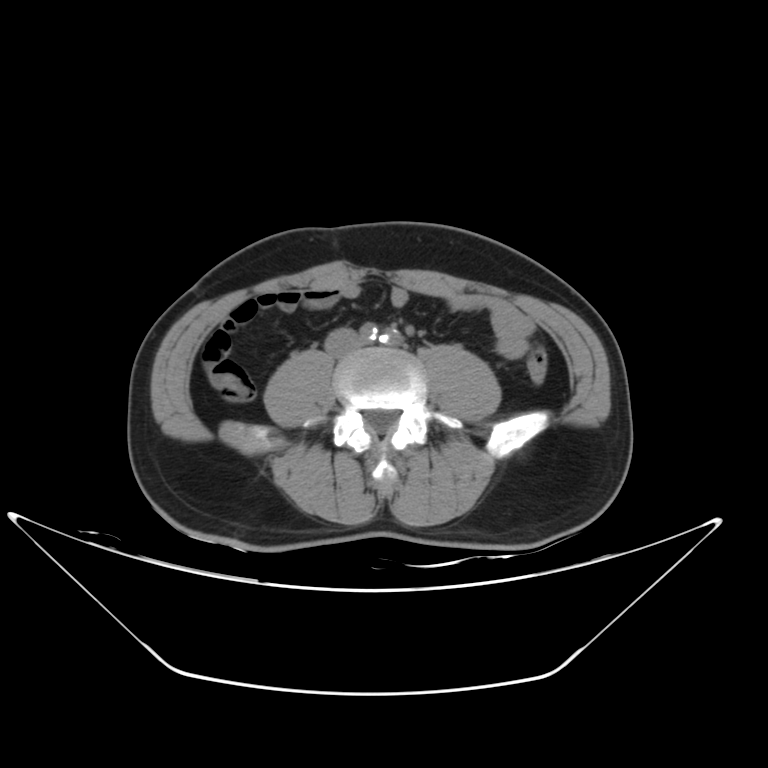
CT, abdomen/pelvis; axial plane, index 53; soft-tissue window; 768x768 px; Brilliance16 scanner; scan has 15 labeled organs (a whole-scan count: organs this slice does not pass through have no box)
{"organs":{"inferior vena cava":[326,330,358,357]}}